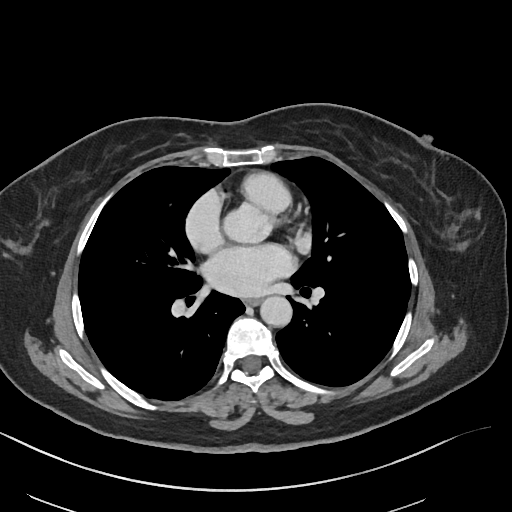
CT of the abdomen reaching into the lower chest, slice just above the liver and spleen — axial view — 512x512 px
The heart and lungs are never labeled in this dataset, so they have no box on this slice.
Bounding boxes in pixels, one row per box: x1, y1 is the top-left corner and x2, y2 the bottom-right.
| organ | x1 | y1 | x2 | y2 |
|---|---|---|---|---|
| esophagus | 244 | 297 | 259 | 305 |
| aorta | 260 | 295 | 291 | 326 |